Abdominal CT. axial view
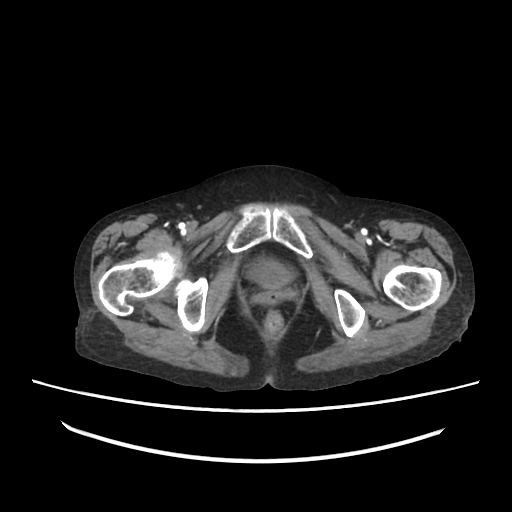
<organs><organ name="bladder" x1="245" y1="260" x2="293" y2="289"/></organs>